CT, abdomen/pelvis. axial view. W/L 400/40 HU. 61-year-old male patient
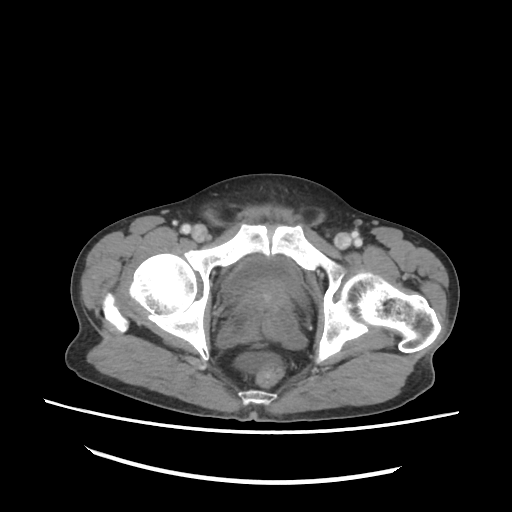 Boxes: x1:y1:x2:y2 in pixels. Labeled organs on this slice: bladder at 222:255:303:306, prostate/uterus at 241:282:290:314.